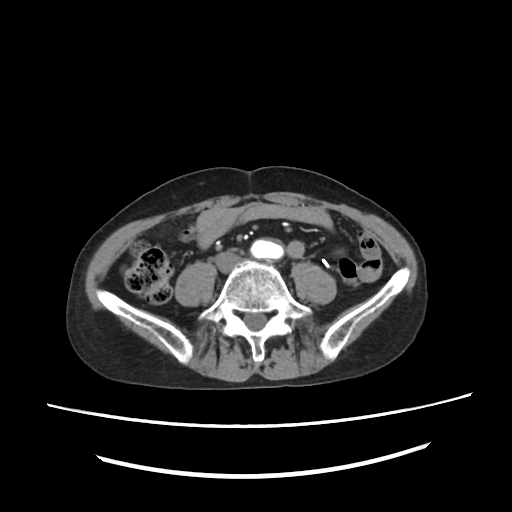 Computed tomography, abdomen · Axial slice 46/132 · soft-tissue window · 67-year-old male patient
{"organs":{"aorta":[248,236,280,259],"inferior vena cava":[214,252,240,273]}}